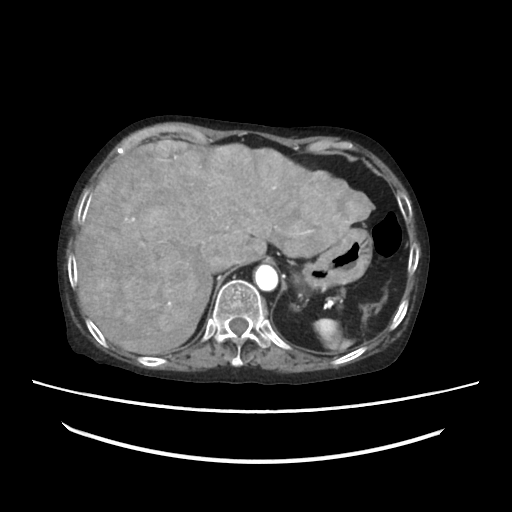 CT abdomen. Axial slice 73/89. W/L 400/40 HU. 512x512 px. acquired on Aquilion ONE
Bounding boxes as [x1, y1, x2, y2] in pixel coordinates.
Organ bounding boxes:
- spleen: [316, 319, 348, 348]
- liver: [76, 140, 371, 354]
- stomach: [300, 230, 373, 289]
- aorta: [255, 265, 277, 289]
- inferior vena cava: [209, 262, 228, 272]